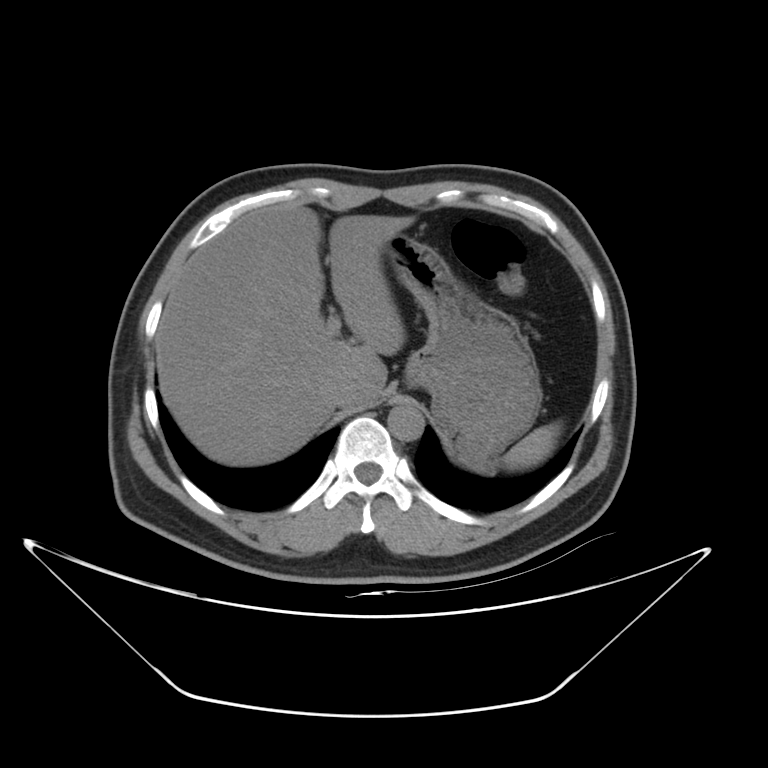

Computed tomography, abdomen · Axial slice 87/93 · soft-tissue window (W 400 / L 40) · 40-year-old male patient
Boxes: x1 y1 x2 y2 (pixel coords, space-separated).
Organ bounding boxes:
- spleen: 503 421 561 469
- liver: 156 202 414 465
- stomach: 384 233 541 468
- aorta: 387 403 424 441
- inferior vena cava: 323 378 355 406